CT, abdomen/pelvis — axial plane, index 49 — abdomen soft-tissue window
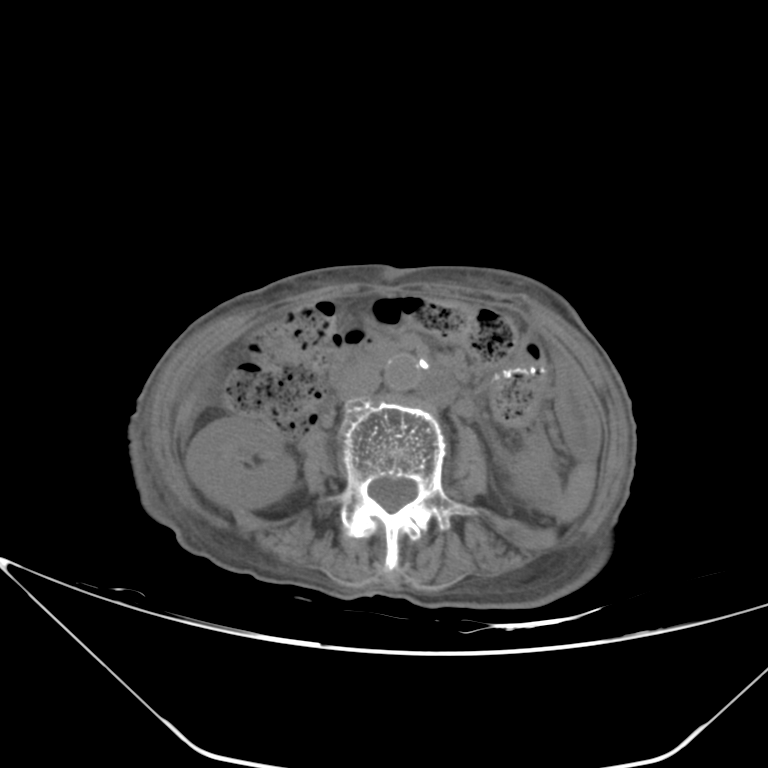 Bounding boxes in pixels, one row per box: x1, y1 is the top-left corner and x2, y2 the bottom-right.
| organ | x1 | y1 | x2 | y2 |
|---|---|---|---|---|
| inferior vena cava | 340 | 367 | 380 | 401 |
| aorta | 385 | 353 | 422 | 390 |
| right kidney | 186 | 414 | 294 | 508 |